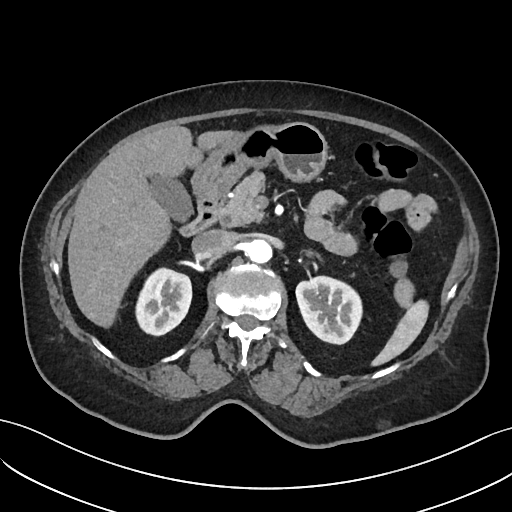 CT, abdomen/pelvis. axial plane, index 133. SOMATOM Force scanner
Coordinates as <box>x1,y1,x2,y2</box> in pixels. 10 labeled organs on this slice — spleen at <box>370,299,429,367</box>; right kidney at <box>137,268,192,334</box>; left kidney at <box>296,276,362,343</box>; gall bladder at <box>146,177,192,223</box>; liver at <box>67,126,236,327</box>; stomach at <box>192,122,328,195</box>; aorta at <box>246,239,272,263</box>; inferior vena cava at <box>190,229,235,257</box>; pancreas at <box>220,171,266,227</box>; duodenum at <box>180,188,229,234</box>.